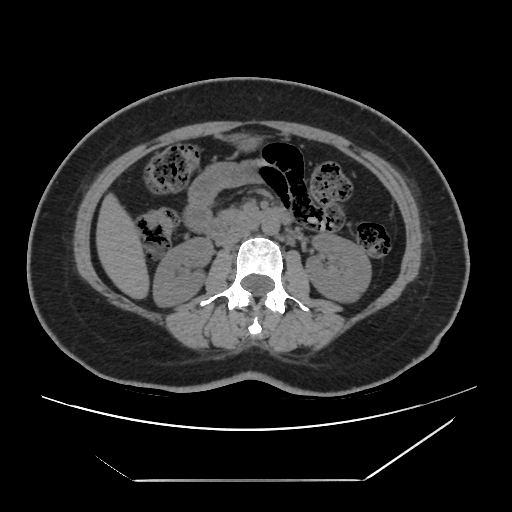

Computed tomography, abdomen. axial view. soft-tissue window. 512x512 px. acquired on SOMATOM Force
Bounding boxes in pixels, one row per box: x1, y1 is the top-left corner and x2, y2 the bottom-right.
| organ | x1 | y1 | x2 | y2 |
|---|---|---|---|---|
| left kidney | 306 | 232 | 371 | 300 |
| liver | 96 | 195 | 148 | 298 |
| stomach | 241 | 138 | 254 | 148 |
| pancreas | 220 | 210 | 244 | 218 |
| right kidney | 152 | 237 | 212 | 305 |
| duodenum | 206 | 208 | 287 | 241 |
| inferior vena cava | 217 | 227 | 254 | 247 |
| aorta | 262 | 218 | 279 | 234 |